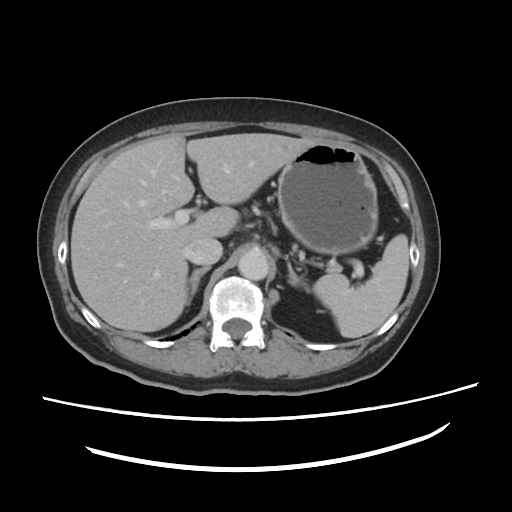
CT, abdomen/pelvis; axial plane, index 71; abdomen soft-tissue window; Aquilion ONE scanner
Bounding boxes in pixels, one row per box: x1, y1 is the top-left corner and x2, y2 the bottom-right.
| organ | x1 | y1 | x2 | y2 |
|---|---|---|---|---|
| spleen | 312 | 234 | 409 | 337 |
| liver | 71 | 133 | 319 | 331 |
| stomach | 276 | 142 | 378 | 256 |
| aorta | 237 | 250 | 269 | 279 |
| inferior vena cava | 186 | 238 | 223 | 264 |
| right adrenal gland | 188 | 265 | 210 | 304 |
| left adrenal gland | 287 | 261 | 312 | 296 |